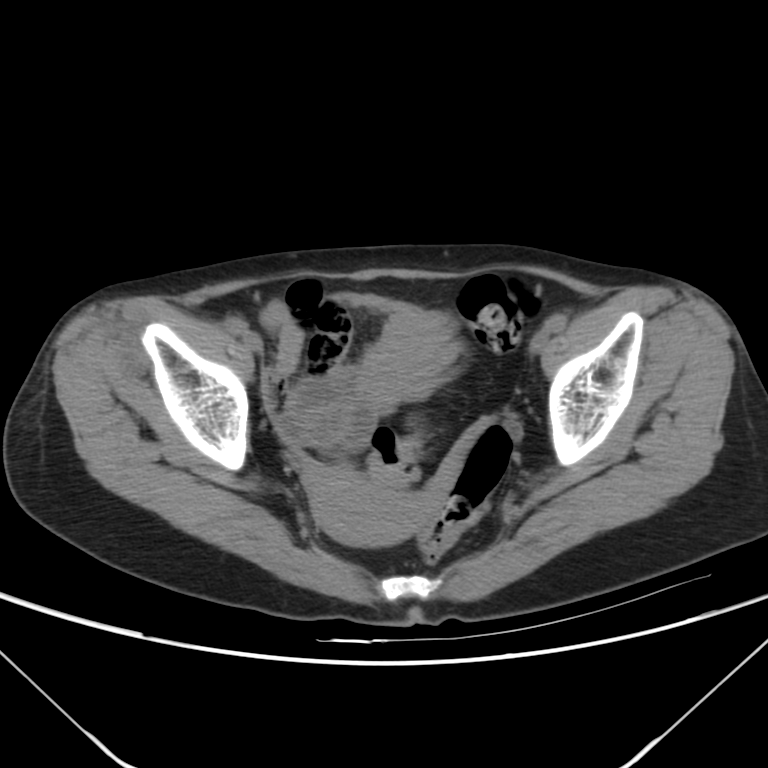

Computed tomography, abdomen; axial view; soft-tissue window (W 400 / L 40); 63-year-old female patient
One row per box, in pixels: columns x1 and y1 give the top-left corner, x2 and y2 the bottom-right.
| organ | x1 | y1 | x2 | y2 |
|---|---|---|---|---|
| prostate/uterus | 299 | 463 | 447 | 543 |